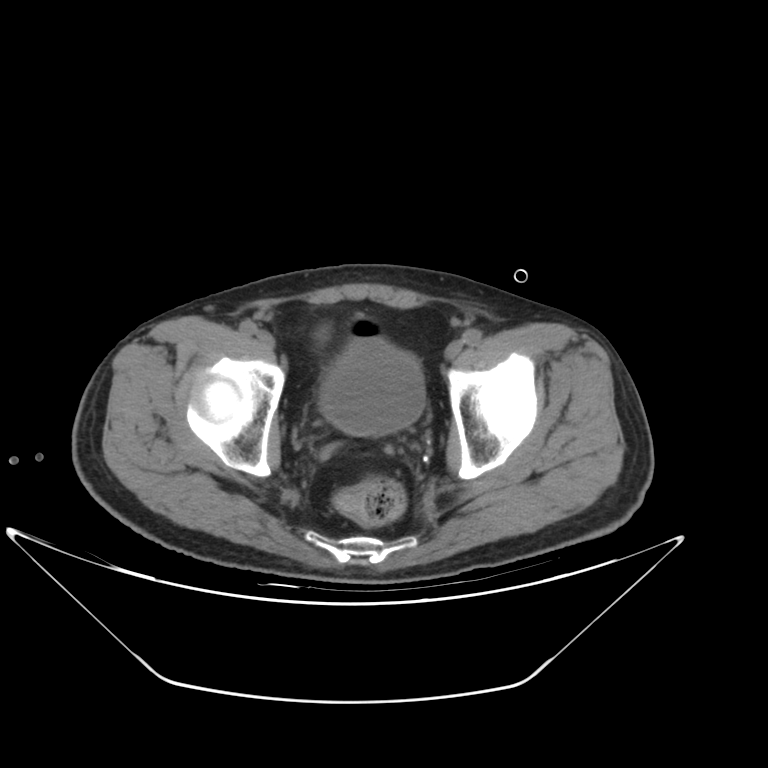

CT abdomen · axial plane, index 20 · soft-tissue window (W 400 / L 40) · scan has 15 labeled organs (counted over the whole 3D scan, not this slice; an organ is boxed only where this slice passes through it)
Bounding boxes in pixels, one row per box: x1, y1 is the top-left corner and x2, y2 the bottom-right.
| organ | x1 | y1 | x2 | y2 |
|---|---|---|---|---|
| bladder | 319 | 336 | 425 | 435 |